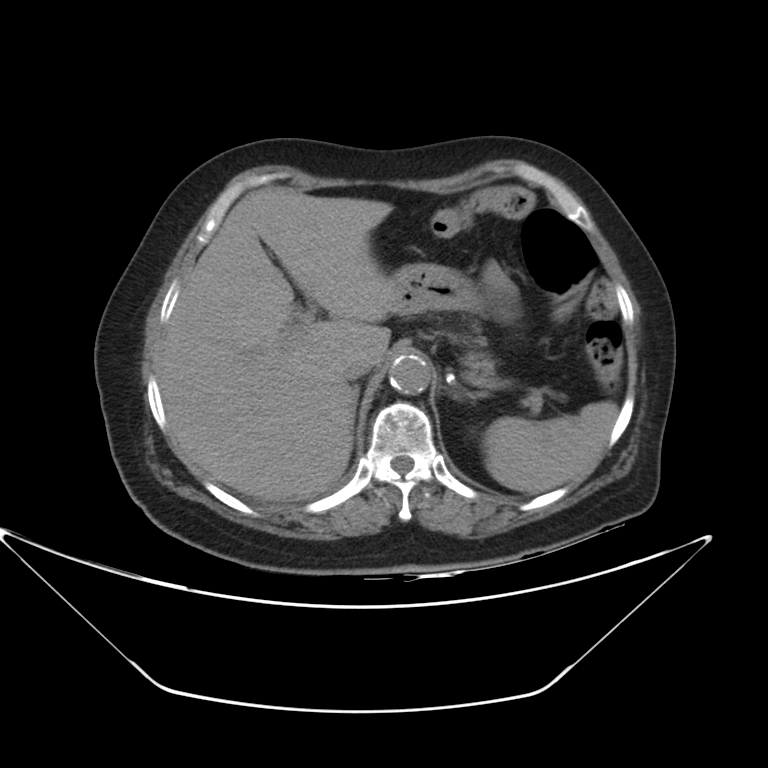 CT, abdomen/pelvis. axial view. acquired on Brilliance16. scan has 15 labeled organs (a whole-scan count: organs this slice does not pass through have no box)
Box edges are left/top/right/bottom in pixels.
Organ bounding boxes:
- spleen: left=484, top=400, right=619, bottom=493
- liver: left=156, top=187, right=395, bottom=502
- stomach: left=391, top=263, right=484, bottom=313
- aorta: left=389, top=356, right=430, bottom=394
- inferior vena cava: left=344, top=353, right=374, bottom=380
- pancreas: left=461, top=349, right=542, bottom=411
- right adrenal gland: left=353, top=385, right=360, bottom=430
- left adrenal gland: left=451, top=393, right=461, bottom=399